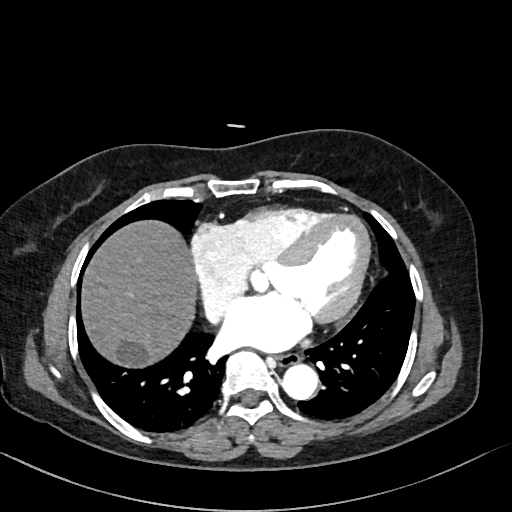
Abdominal CT · axial view · soft-tissue window (W 400 / L 40) · scan has 15 labeled organs (that count is for the whole scan; organs this slice misses have no box)
Boxes: x1 y1 x2 y2 (pixel coords, space-separated). 4 labeled organs on this slice — esophagus at 275 352 300 365; liver at 80 218 196 369; aorta at 283 363 319 399; inferior vena cava at 203 299 225 325.